Abdominal CT. axial view. 512x512 px. acquired on SOMATOM Force
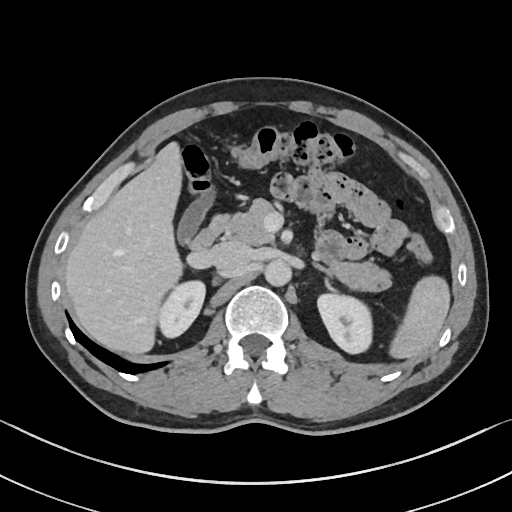
{"organs":{"spleen":[389,275,450,358],"right kidney":[158,280,205,337],"left kidney":[317,293,372,353],"gall bladder":[177,193,213,242],"liver":[65,142,182,353],"aorta":[264,259,291,286],"inferior vena cava":[209,241,251,273],"pancreas":[227,199,391,291],"left adrenal gland":[314,262,330,275],"duodenum":[186,214,229,251]}}